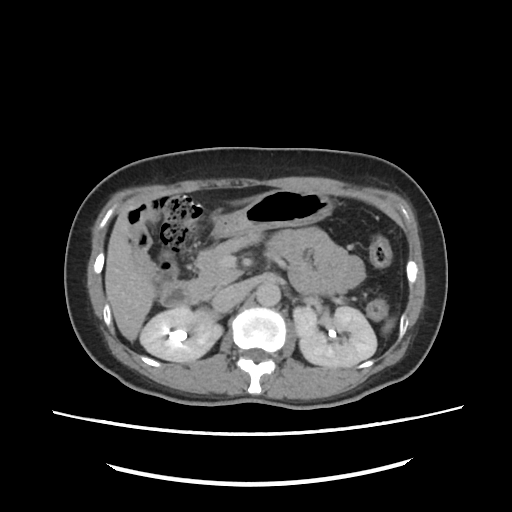

CT abdomen; axial view; 512x512 px
Boxes: x1 y1 x2 y2 (pixel coords, space-separated).
Organ bounding boxes:
- duodenum: 160 280 195 306
- pancreas: 190 234 264 302
- left kidney: 293 307 376 368
- inferior vena cava: 211 286 242 312
- aorta: 257 283 281 306
- right kidney: 140 305 221 362
- spleen: 383 319 394 331
- stomach: 212 184 334 237
- liver: 105 211 154 341